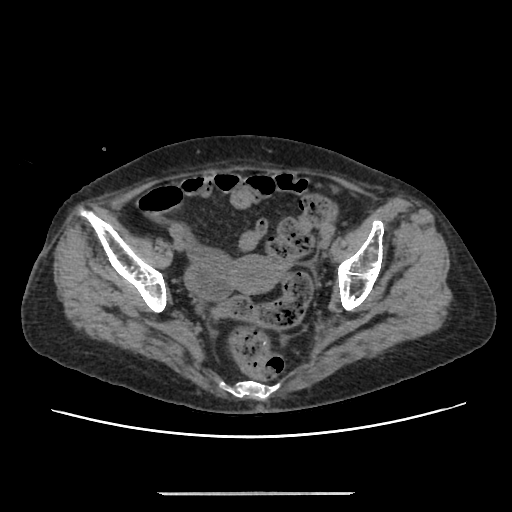

CT, abdomen/pelvis — axial view — soft-tissue window — scan has 14 labeled organs (counted over the whole 3D scan, not this slice; an organ is boxed only where this slice passes through it)
Box edges are left/top/right/bottom in pixels.
Organ bounding boxes:
- prostate/uterus: left=228, top=255, right=283, bottom=294